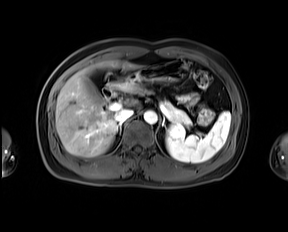

Abdominal MR; axial view; percentile-normalized; 288x232 px; 13 organs annotated in this scan (a whole-scan count: organs this slice does not pass through have no box)
<organs><organ name="spleen" x1="166" y1="111" x2="230" y2="162"/><organ name="gall bladder" x1="84" y1="78" x2="103" y2="104"/><organ name="liver" x1="55" y1="60" x2="139" y2="157"/><organ name="stomach" x1="112" y1="60" x2="187" y2="89"/><organ name="aorta" x1="143" y1="110" x2="157" y2="124"/><organ name="inferior vena cava" x1="115" y1="109" x2="133" y2="122"/><organ name="pancreas" x1="131" y1="88" x2="191" y2="125"/><organ name="right adrenal gland" x1="116" y1="123" x2="120" y2="133"/><organ name="left adrenal gland" x1="162" y1="117" x2="163" y2="126"/><organ name="duodenum" x1="102" y1="82" x2="116" y2="98"/></organs>